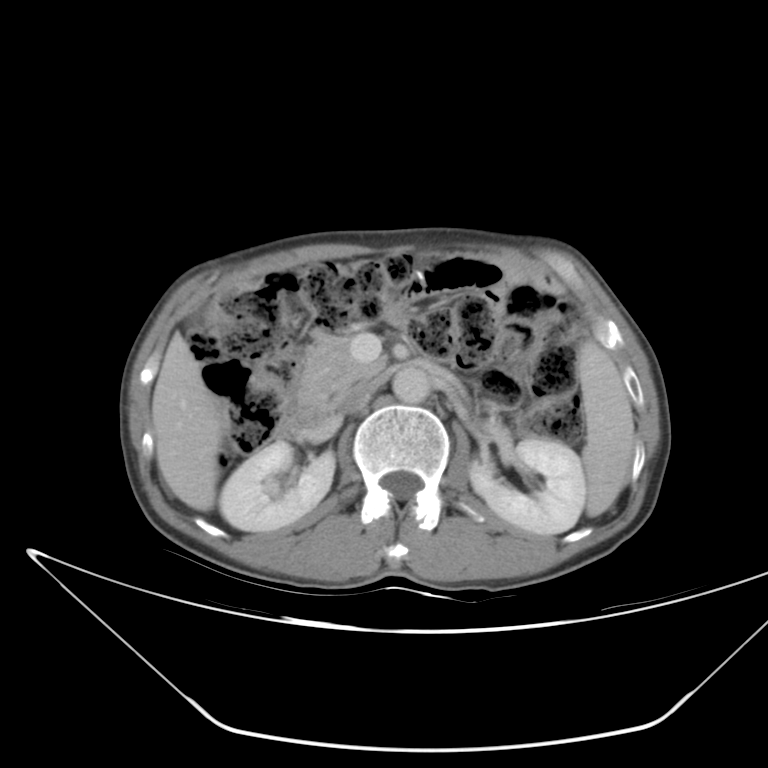 CT, abdomen/pelvis — axial plane, index 35 — W/L 400/40 HU
Boxes are (x1, y1, x2, y2) in pixels.
spleen: (578, 344, 633, 517)
right kidney: (218, 441, 335, 532)
left kidney: (469, 435, 586, 534)
liver: (153, 335, 223, 511)
aorta: (392, 364, 429, 402)
inferior vena cava: (342, 377, 380, 415)
pancreas: (301, 335, 390, 409)
duodenum: (277, 404, 338, 438)